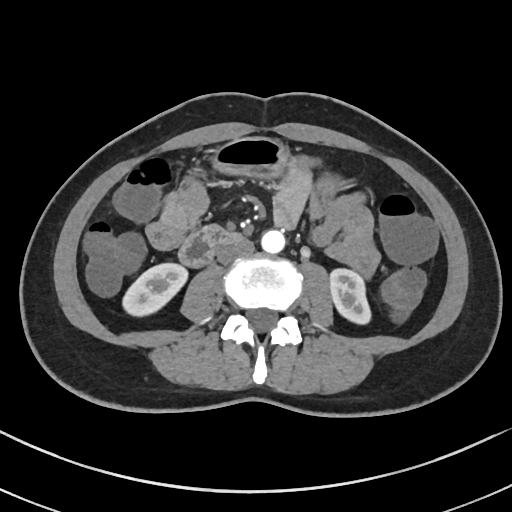
CT abdomen; Axial slice 139/242; soft-tissue window; 512x512 px; SOMATOM Force scanner
Boxes are (x1, y1, x2, y2) in pixels. The annotated organs in this slice are: right kidney at (122, 263, 187, 316), left kidney at (330, 269, 371, 323), stomach at (212, 137, 289, 175), aorta at (261, 229, 284, 253), inferior vena cava at (217, 238, 254, 264), duodenum at (179, 225, 241, 267).